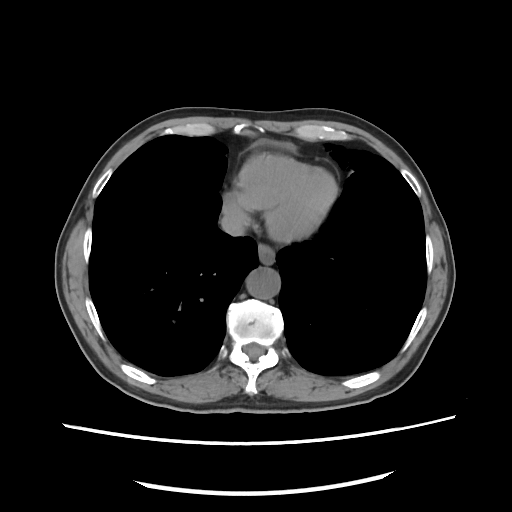

CT of the abdomen reaching into the lower chest, slice just above the liver and spleen — axial view — Aquilion ONE scanner
Of the structures in the chest, this dataset labels only the esophagus, the aorta and the inferior vena cava; the heart and lungs have no label.
Boxes: x1:y1:x2:y2 in pixels.
aorta: 246:267:280:298
inferior vena cava: 220:208:248:236
esophagus: 258:244:274:264